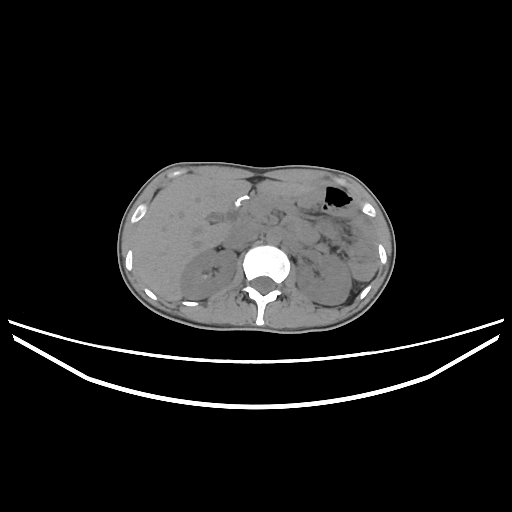
Abdominal CT · axial view
<organs><organ name="spleen" x1="368" y1="274" x2="372" y2="278"/><organ name="right kidney" x1="181" y1="249" x2="236" y2="299"/><organ name="left kidney" x1="296" y1="255" x2="351" y2="305"/><organ name="liver" x1="133" y1="178" x2="312" y2="301"/><organ name="aorta" x1="266" y1="230" x2="280" y2="244"/><organ name="inferior vena cava" x1="224" y1="222" x2="260" y2="247"/><organ name="pancreas" x1="240" y1="194" x2="298" y2="217"/><organ name="duodenum" x1="224" y1="205" x2="241" y2="222"/></organs>